Computed tomography, abdomen; Axial slice 124/167; 512x512 px
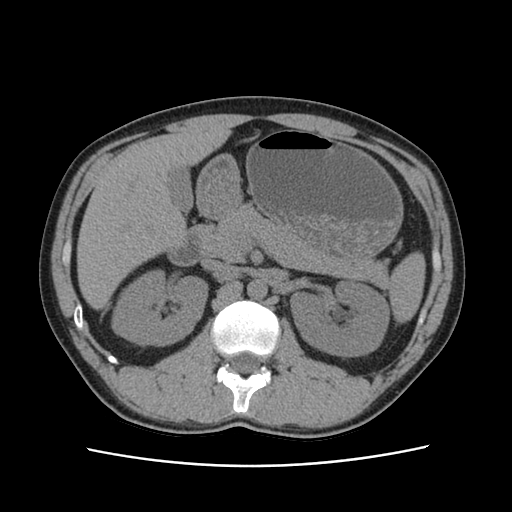

Boxes: x1:y1:x2:y2 in pixels.
Organ bounding boxes:
- spleen: 387:252:425:321
- right kidney: 113:273:207:346
- left kidney: 290:283:388:357
- gall bladder: 168:167:193:214
- liver: 76:126:231:309
- stomach: 197:129:404:262
- aorta: 247:279:267:300
- inferior vena cava: 201:259:236:276
- pancreas: 205:203:387:287
- duodenum: 170:224:210:265